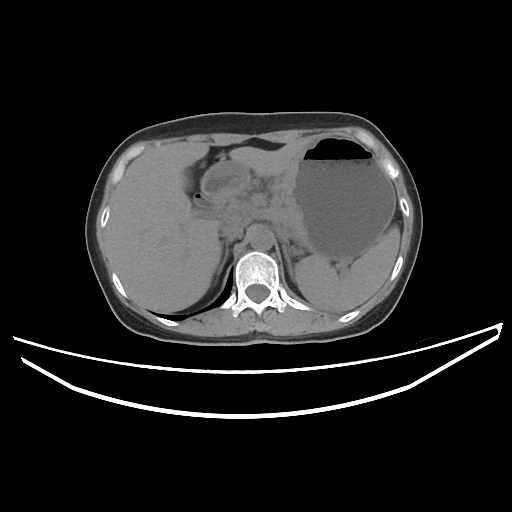
CT abdomen · axial view · soft-tissue window · 512x512 px · 15 organs annotated in this scan (counted over the whole 3D scan, not this slice; an organ is boxed only where this slice passes through it)
{"organs":{"spleen":[296,225,399,311],"liver":[106,138,309,312],"stomach":[201,133,395,263],"aorta":[250,228,273,250],"inferior vena cava":[221,225,243,240],"right adrenal gland":[217,240,232,274],"left adrenal gland":[282,245,294,280],"duodenum":[194,193,224,214]}}